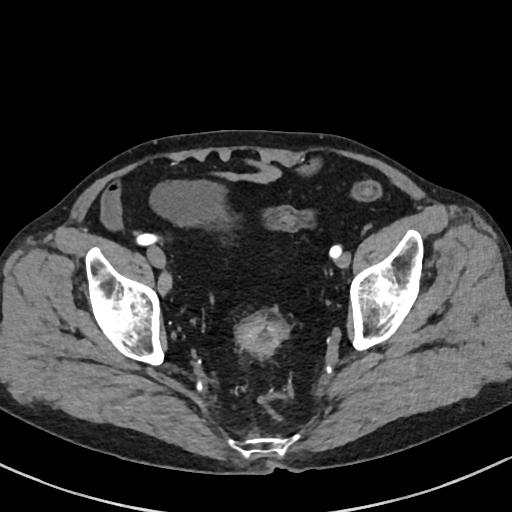
Abdominal CT — axial view — abdomen soft-tissue window
Boxes: x1 y1 x2 y2 (pixel coords, space-separated).
Organ bounding boxes:
- bladder: 150 180 226 225